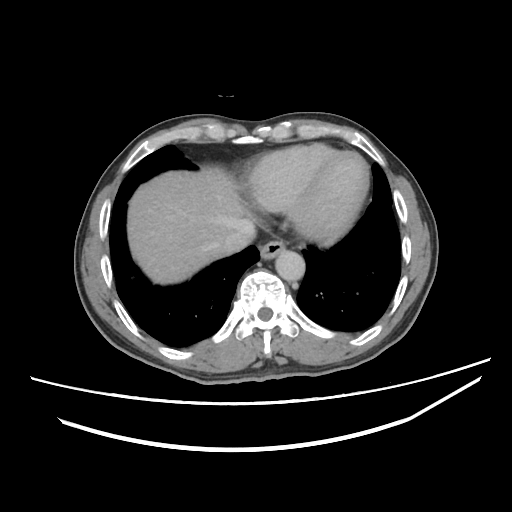
Abdominal CT; Axial slice 96/104; soft-tissue window; 512x512 px; 58-year-old male patient
{"organs":{"esophagus":[260,239,286,260],"liver":[127,167,242,284],"aorta":[276,250,305,283],"inferior vena cava":[222,218,256,254]}}